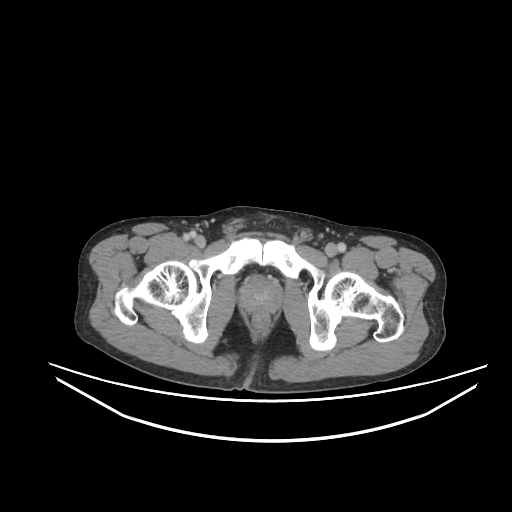

Computed tomography, abdomen · axial view · soft-tissue window · 512x512 px · Aquilion ONE scanner
One row per box, in pixels: columns x1 and y1 give the top-left corner, x2 and y2 the bottom-right.
| organ | x1 | y1 | x2 | y2 |
|---|---|---|---|---|
| prostate/uterus | 240 | 277 | 280 | 311 |